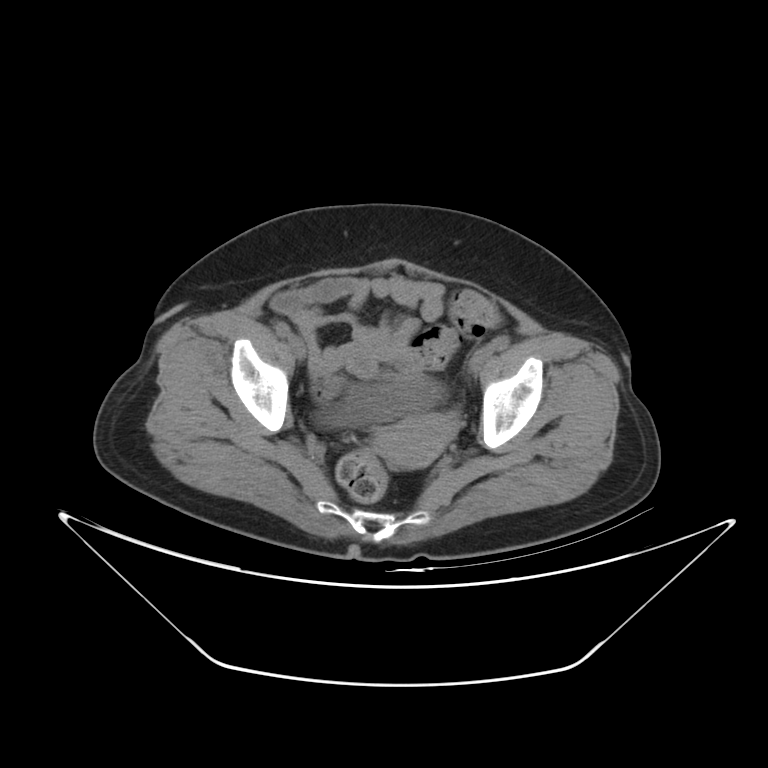 Abdominal CT — axial plane, index 20 — 768x768 px
Boxes are (x1, y1, x2, y2) in pixels.
Organ bounding boxes:
- prostate/uterus: (376, 414, 453, 469)
- bladder: (325, 380, 439, 426)